Abdominal CT reaching into the chest; this slice is in the chest — axial plane, index 119
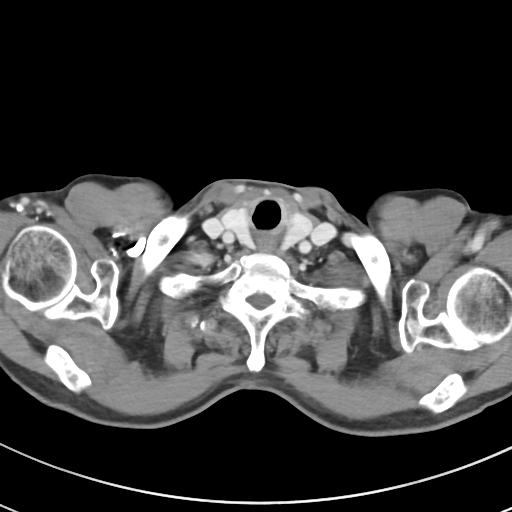 At this level of the chest no structure but the esophagus and the aorta has a label in this dataset, and those two are boxed only where they are labeled.
Boxes: x1 y1 x2 y2 (pixel coords, space-separated).
esophagus: 258 234 274 251